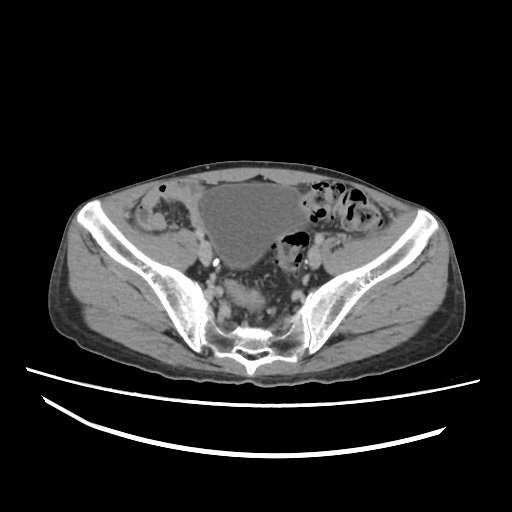 Abdominal CT. axial view
Bounding boxes in pixels, one row per box: x1, y1 is the top-left corner and x2, y2 the bottom-right.
| organ | x1 | y1 | x2 | y2 |
|---|---|---|---|---|
| bladder | 199 | 184 | 307 | 267 |